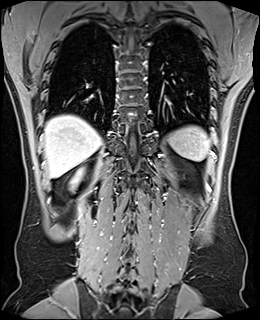 Abdominal MR; Coronal slice 33/144; percentile-normalized; 260x320 px; scan has 13 labeled organs (that count is for the whole scan; organs this slice misses have no box)
Boxes: x1 y1 x2 y2 (pixel coords, space-separated).
right kidney: 72 169 82 184
liver: 44 115 101 177
spleen: 168 125 211 161